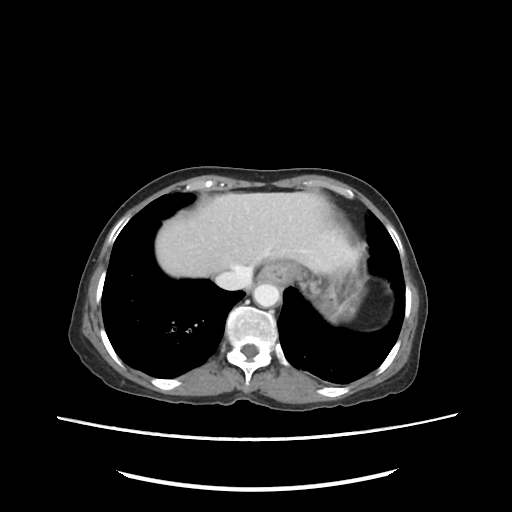 CT abdomen; Axial slice 80/124; 73-year-old female patient; acquired on Aquilion ONE; 15 organs annotated in this scan (counted over the whole 3D scan, not this slice; an organ is boxed only where this slice passes through it)
Boxes: x1 y1 x2 y2 (pixel coords, space-separated). 5 labeled organs on this slice — esophagus at 257 282 284 283; liver at 157 192 355 277; stomach at 256 254 363 322; aorta at 253 284 281 306; inferior vena cava at 214 265 252 289.